CT, abdomen/pelvis. axial view
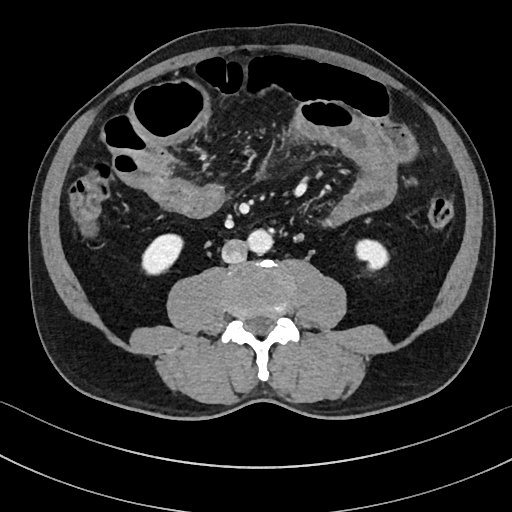 Coordinates as <box>x1,y1,x2,y2</box> in pixels.
Organ bounding boxes:
- right kidney: <box>140,236,184,274</box>
- left kidney: <box>356,239,387,269</box>
- aorta: <box>248,230,274,254</box>
- inferior vena cava: <box>221,239,248,263</box>